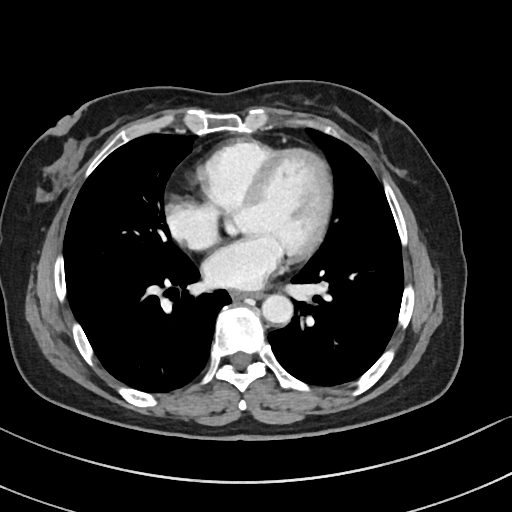

CT of the abdomen reaching into the lower chest, slice just above the liver and spleen; axial view; SOMATOM Force scanner; scan has 14 labeled organs (a whole-scan count: organs this slice does not pass through have no box)
No part of the heart or lungs is labeled in this dataset, so neither has a box here.
Each box given as x1,y1,x2,y2.
esophagus: x1=230, y1=291, x2=262, y2=299
aorta: x1=261, y1=294, x2=293, y2=324